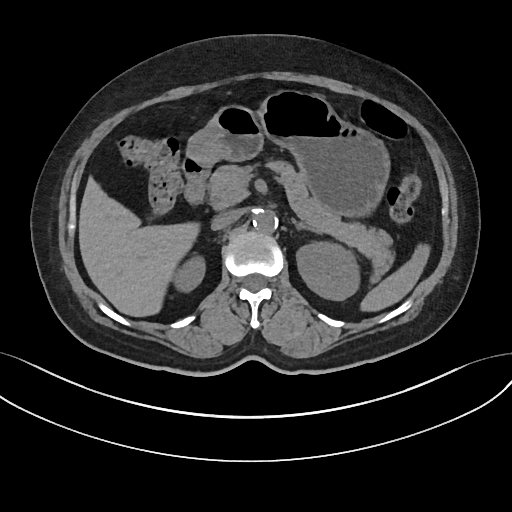
CT abdomen · Axial slice 144/207 · scan has 15 labeled organs (a whole-scan count: organs this slice does not pass through have no box)
Bounding boxes in pixels, one row per box: x1, y1 is the top-left corner and x2, y2 the bottom-right.
| organ | x1 | y1 | x2 | y2 |
|---|---|---|---|---|
| spleen | 360 | 243 | 430 | 311 |
| right kidney | 175 | 256 | 205 | 290 |
| left kidney | 296 | 241 | 359 | 300 |
| liver | 79 | 177 | 199 | 316 |
| stomach | 187 | 90 | 389 | 216 |
| aorta | 253 | 210 | 278 | 233 |
| inferior vena cava | 211 | 210 | 240 | 229 |
| pancreas | 208 | 160 | 394 | 281 |
| left adrenal gland | 294 | 221 | 322 | 234 |
| duodenum | 182 | 156 | 209 | 204 |